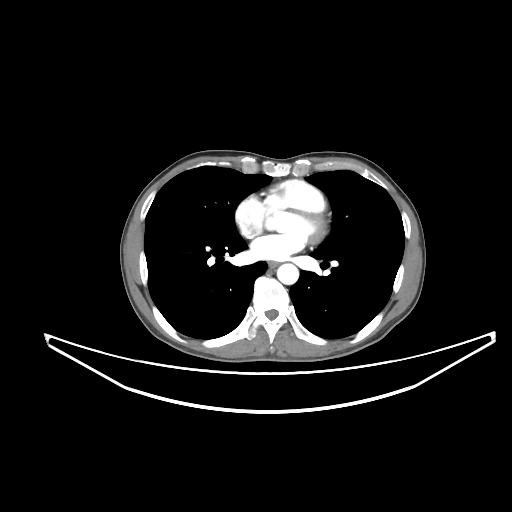

Chest-level CT slice, above the liver and spleen; axial view; soft-tissue window, W/L 400/40; 52-year-old male patient
At this level of the chest no structure but the esophagus and the aorta has a label in this dataset, and those two are boxed only where they are labeled.
Bounding boxes as [x1, y1, x2, y2] in pixel coordinates.
esophagus: [268, 261, 277, 268]
aorta: [277, 263, 298, 284]